Computed tomography, abdomen — axial view — 512x512 px — 76-year-old female patient — acquired on Aquilion ONE — 15 organs annotated in this scan (a whole-scan count: organs this slice does not pass through have no box)
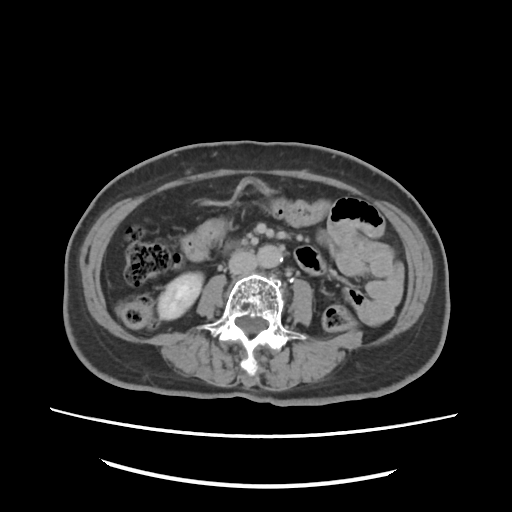

Boxes: x1:y1:x2:y2 in pixels.
right kidney: 159:271:203:320
aorta: 257:246:282:266
inferior vena cava: 229:253:255:274